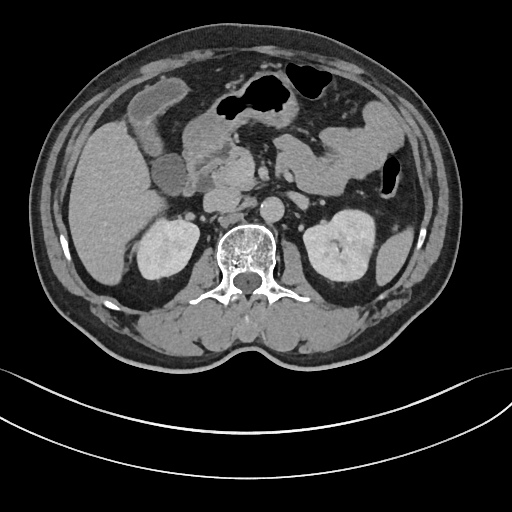

CT, abdomen/pelvis. axial view. soft-tissue window (W 400 / L 40). 512x512 px. 15 organs annotated in this scan (that count is for the whole scan; organs this slice misses have no box)
<organs><organ name="inferior vena cava" x1="204" y1="188" x2="239" y2="213"/><organ name="gall bladder" x1="129" y1="78" x2="188" y2="193"/><organ name="stomach" x1="181" y1="71" x2="295" y2="154"/><organ name="left kidney" x1="303" y1="207" x2="376" y2="280"/><organ name="liver" x1="68" y1="121" x2="162" y2="283"/><organ name="right kidney" x1="135" y1="217" x2="199" y2="278"/><organ name="aorta" x1="260" y1="196" x2="284" y2="221"/><organ name="spleen" x1="377" y1="227" x2="413" y2="284"/><organ name="duodenum" x1="182" y1="141" x2="231" y2="197"/><organ name="pancreas" x1="212" y1="144" x2="253" y2="187"/></organs>